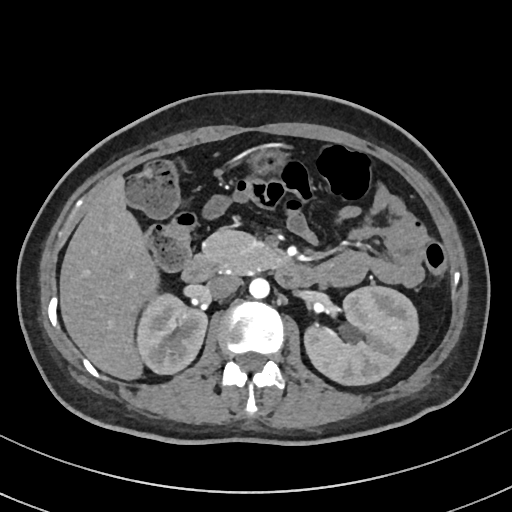
CT, abdomen/pelvis. Axial slice 128/191
{"organs":{"left kidney":[305,285,420,385],"aorta":[249,277,269,298],"liver":[60,177,154,378],"pancreas":[203,230,291,272],"stomach":[253,152,280,169],"right kidney":[135,292,206,374],"duodenum":[182,256,316,288],"inferior vena cava":[207,275,241,298]}}